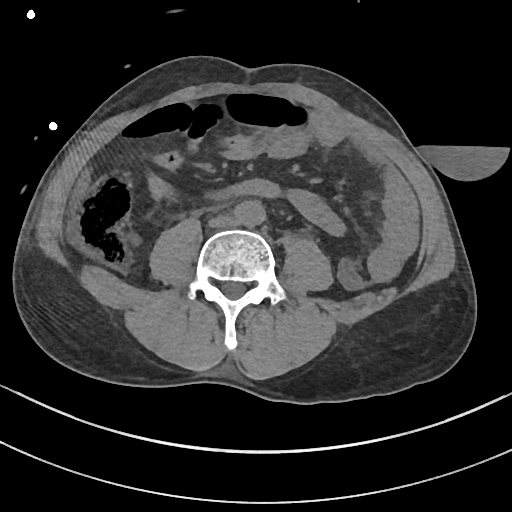

Computed tomography, abdomen · axial view · abdomen soft-tissue window
{"organs":{"aorta":[234,200,265,226],"inferior vena cava":[209,215,237,227]}}